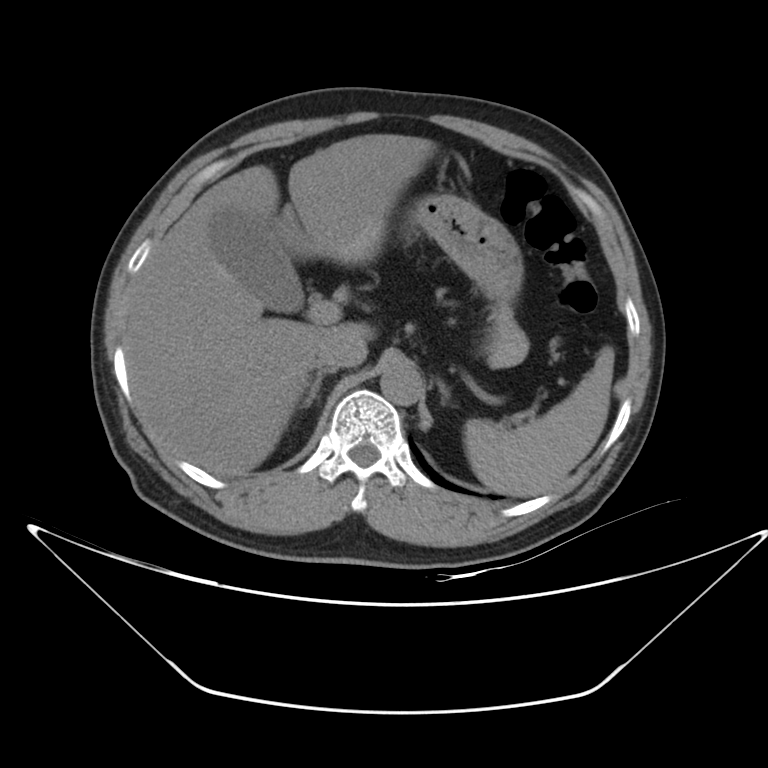 Computed tomography, abdomen. Axial slice 76/87. 768x768 px
Box edges are left/top/right/bottom in pixels.
spleen: left=463, top=346, right=614, bottom=496
gall bladder: left=211, top=209, right=302, bottom=311
liver: left=122, top=134, right=434, bottom=475
stomach: left=416, top=193, right=524, bottom=308
aorta: left=380, top=363, right=421, bottom=405
inferior vena cava: left=317, top=328, right=366, bottom=369
pancreas: left=486, top=307, right=526, bottom=365
right adrenal gland: left=302, top=369, right=334, bottom=407
left adrenal gland: left=438, top=381, right=448, bottom=401